Abdominal CT · axial plane, index 73 · 512x512 px · 15 organs annotated in this scan (that count is for the whole scan; organs this slice misses have no box)
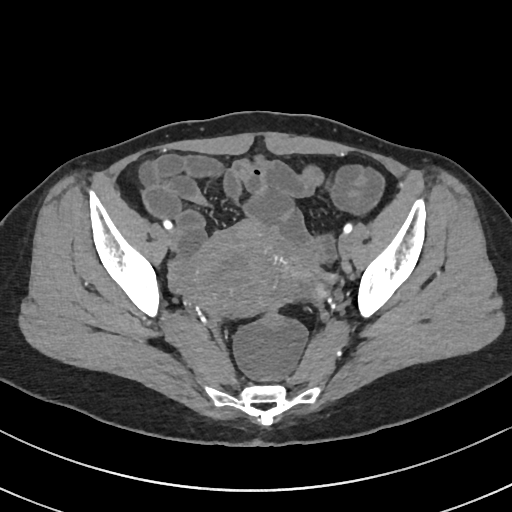 <organs><organ name="prostate/uterus" x1="189" y1="222" x2="275" y2="315"/></organs>